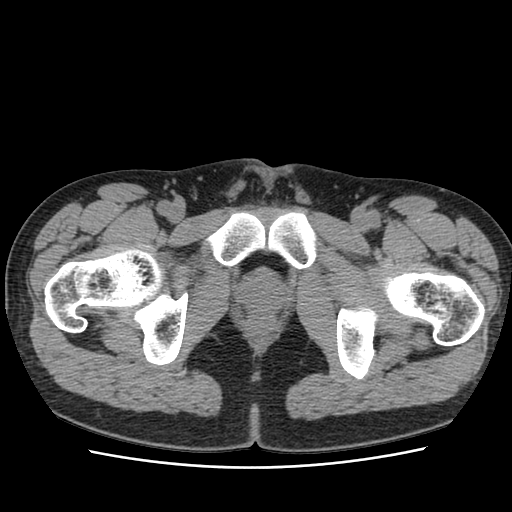

Computed tomography, abdomen; axial plane, index 16; soft-tissue window (W 400 / L 40); 15 organs annotated in this scan (counted over the whole 3D scan, not this slice; an organ is boxed only where this slice passes through it)
Boxes: x1 y1 x2 y2 (pixel coords, space-separated).
prostate/uterus: 240 273 284 311